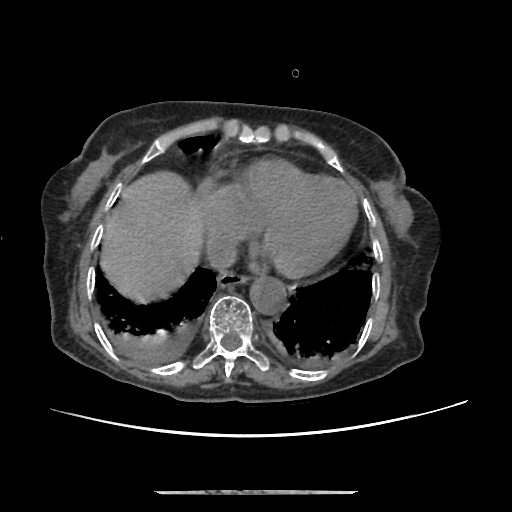

CT, abdomen/pelvis; axial view; abdomen soft-tissue window
<organs><organ name="esophagus" x1="217" y1="270" x2="249" y2="286"/><organ name="liver" x1="100" y1="169" x2="203" y2="300"/><organ name="aorta" x1="249" y1="276" x2="285" y2="314"/><organ name="inferior vena cava" x1="206" y1="234" x2="237" y2="271"/></organs>